CT, abdomen/pelvis — axial plane, index 37 — W/L 400/40 HU — 62-year-old male patient — 15 organs annotated in this scan (that count is for the whole scan; organs this slice misses have no box)
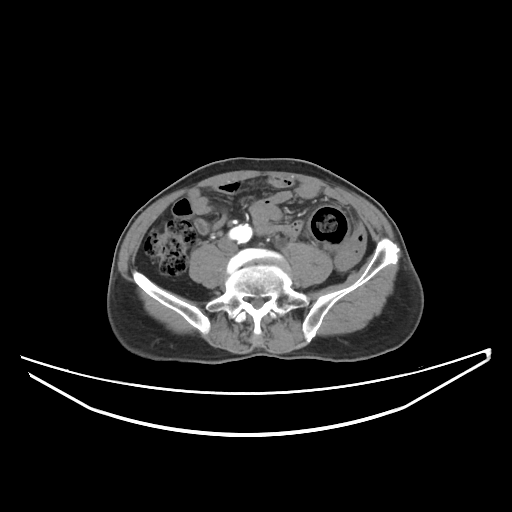

<organs><organ name="aorta" x1="231" y1="225" x2="251" y2="242"/><organ name="inferior vena cava" x1="219" y1="239" x2="238" y2="251"/></organs>